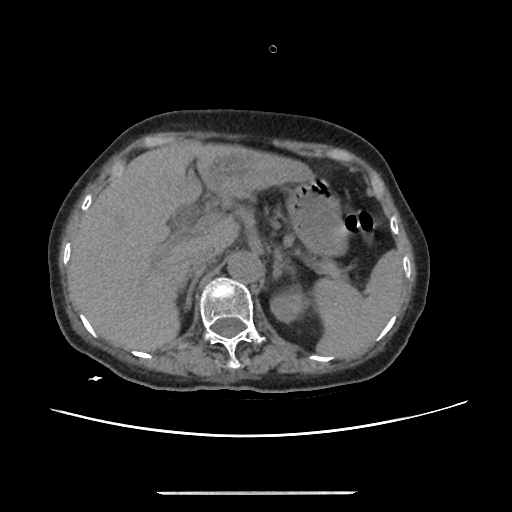

Computed tomography, abdomen — axial view
Boxes: x1:y1:x2:y2 in pixels.
Organ bounding boxes:
- spleen: 317:249:403:356
- left kidney: 269:293:306:323
- liver: 68:141:313:350
- stomach: 286:177:344:254
- aorta: 227:250:261:281
- inferior vena cava: 188:245:222:271
- pancreas: 311:256:344:279
- right adrenal gland: 179:270:202:310
- left adrenal gland: 270:250:284:276